CT abdomen · axial view
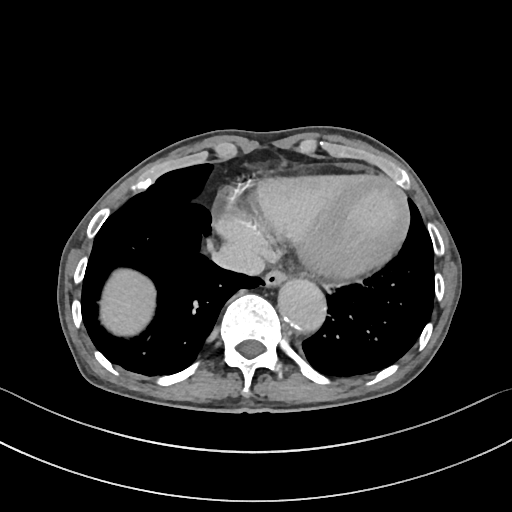
Box edges are left/top/right/bottom in pixels.
esophagus: left=264, top=269, right=287, bottom=284
liver: left=99, top=268, right=155, bottom=336
aorta: left=277, top=276, right=325, bottom=330
inferior vena cava: left=211, top=244, right=263, bottom=273